CT abdomen — Axial slice 164/244
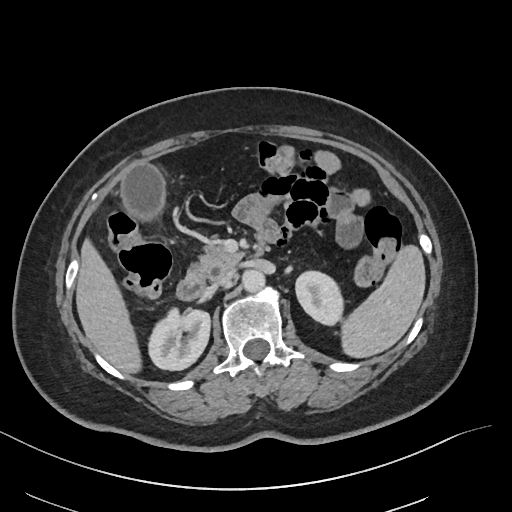 Bounding boxes as [x1, y1, x2, y2] in pixel coordinates.
spleen: [341, 245, 425, 357]
right kidney: [148, 308, 210, 370]
left kidney: [295, 271, 343, 325]
gall bladder: [122, 164, 163, 218]
liver: [76, 239, 141, 373]
aorta: [242, 269, 265, 292]
inferior vena cava: [214, 268, 234, 285]
pancreas: [188, 239, 243, 278]
duodenum: [176, 273, 205, 300]